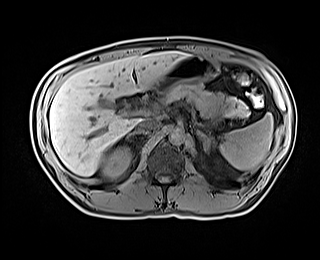

Abdominal MR — axial view — percentile-normalized
<organs><organ name="liver" x1="49" y1="51" x2="188" y2="176"/><organ name="inferior vena cava" x1="138" y1="119" x2="159" y2="131"/><organ name="aorta" x1="169" y1="128" x2="184" y2="144"/><organ name="pancreas" x1="163" y1="82" x2="249" y2="118"/><organ name="spleen" x1="219" y1="113" x2="273" y2="169"/><organ name="right kidney" x1="102" y1="146" x2="130" y2="177"/><organ name="stomach" x1="156" y1="55" x2="218" y2="119"/><organ name="right adrenal gland" x1="125" y1="131" x2="146" y2="139"/><organ name="left adrenal gland" x1="196" y1="131" x2="215" y2="153"/></organs>